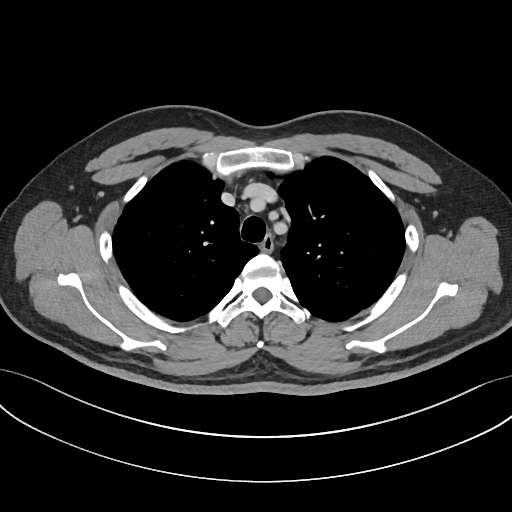 Abdominal CT reaching into the chest; this slice is in the chest — axial view — acquired on SOMATOM Force
On a slice this high in the chest, this dataset labels only the esophagus and the aorta, and each is boxed only where it is labeled; the heart, lungs and other chest structures are not labeled.
{"organs":{"esophagus":[260,235,273,252]}}